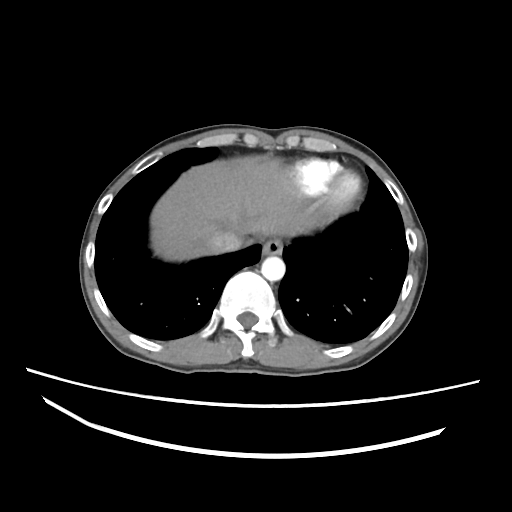 Computed tomography, abdomen · axial view · 512x512 px
One row per box, in pixels: columns x1 and y1 give the top-left corner, x2 and y2 the bottom-right.
| organ | x1 | y1 | x2 | y2 |
|---|---|---|---|---|
| esophagus | 262 | 238 | 282 | 254 |
| liver | 150 | 155 | 307 | 261 |
| aorta | 261 | 256 | 285 | 281 |
| inferior vena cava | 208 | 231 | 243 | 253 |